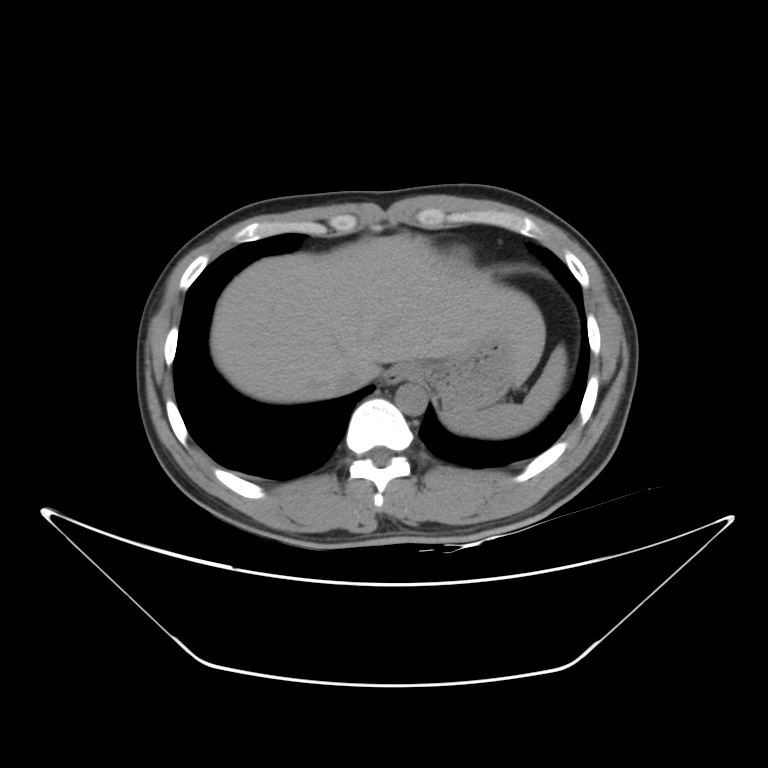 CT, abdomen/pelvis; Axial slice 87/96; soft-tissue window (W 400 / L 40); 768x768 px; acquired on Brilliance16
Boxes are (x1, y1, x2, y2) in pixels.
Organ bounding boxes:
- spleen: (443, 344, 566, 438)
- esophagus: (383, 364, 423, 384)
- liver: (211, 234, 545, 403)
- stomach: (424, 342, 517, 410)
- aorta: (395, 382, 427, 415)
- inferior vena cava: (331, 359, 368, 393)